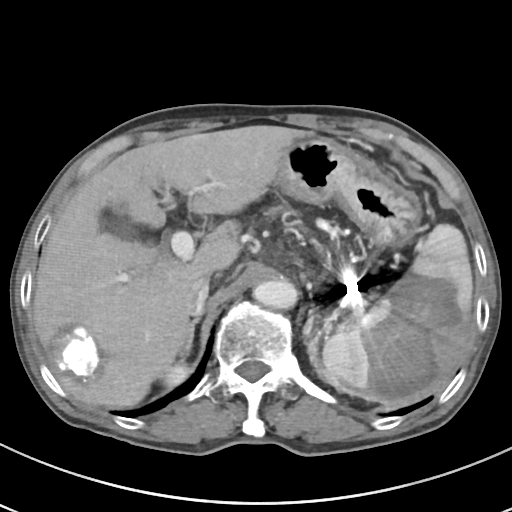 Abdominal CT · axial plane, index 65 · soft-tissue window (W 400 / L 40) · 512x512 px
Boxes: x1 y1 x2 y2 (pixel coords, space-separated).
Organ bounding boxes:
- inferior vena cava: 188 274 210 315
- gall bladder: 99 206 137 240
- right adrenal gland: 184 312 202 353
- spleen: 319 224 472 406
- liver: 32 125 307 407
- stomach: 276 137 421 247
- aorta: 253 279 297 309
- left adrenal gland: 303 309 315 337
- right kidney: 161 359 187 386